Abdominal CT reaching into the chest; this slice is in the chest; axial view; soft-tissue window (W 400 / L 40)
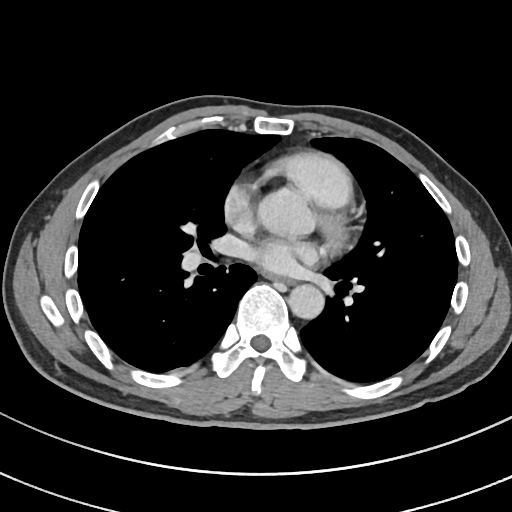

At this level of the chest no structure but the esophagus and the aorta has a label in this dataset, and those two are boxed only where they are labeled.
<organs><organ name="esophagus" x1="272" y1="277" x2="289" y2="282"/><organ name="aorta" x1="288" y1="284" x2="324" y2="318"/></organs>